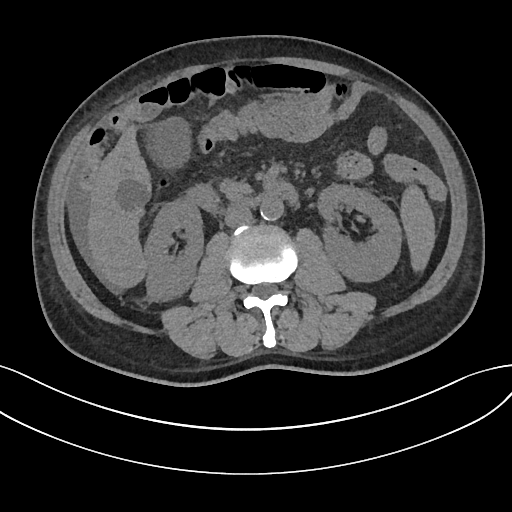 CT abdomen · axial view · soft-tissue window · 512x512 px · acquired on SOMATOM Force
{"organs":{"spleen":[399,186,436,271],"right kidney":[143,199,203,303],"left kidney":[318,186,401,283],"gall bladder":[143,116,193,170],"liver":[87,124,153,288],"aorta":[260,197,283,221],"inferior vena cava":[223,204,252,228],"pancreas":[219,178,252,200],"duodenum":[185,182,299,211]}}